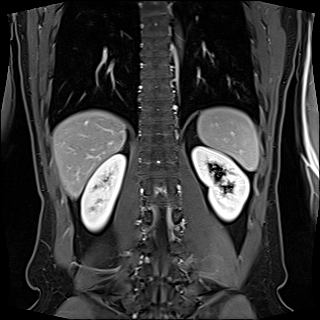 Magnetic resonance imaging, abdomen. coronal acquisition. percentile-normalized
Bounding boxes as [x1, y1, x2, y2] in pixel coordinates.
Organ bounding boxes:
- spleen: [197, 107, 258, 170]
- right kidney: [81, 154, 125, 231]
- left kidney: [192, 146, 249, 221]
- liver: [52, 110, 126, 198]